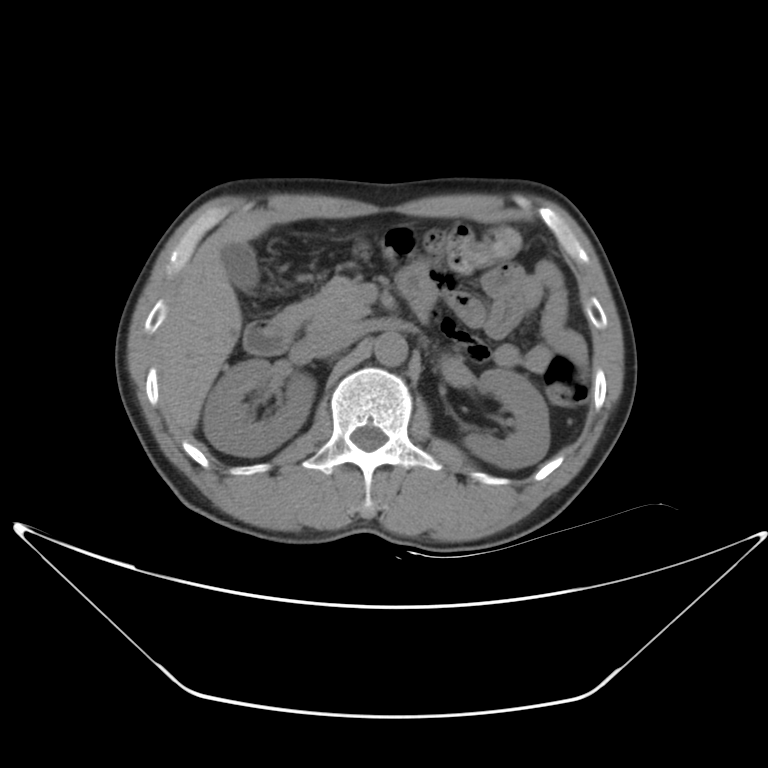 CT abdomen — axial plane, index 66 — soft-tissue window (W 400 / L 40) — 51-year-old male patient
Each box given as x1,y1,x2,y2.
right kidney: x1=202, y1=361, x2=312, y2=455
left kidney: x1=468, y1=368, x2=550, y2=468
gall bladder: x1=221, y1=243, x2=258, y2=294
liver: x1=162, y1=219, x2=275, y2=431
aorta: x1=373, y1=332, x2=407, y2=367
inferior vena cava: x1=305, y1=318, x2=361, y2=359
pancreas: x1=271, y1=276, x2=369, y2=332
duodenum: x1=245, y1=267, x2=438, y2=356